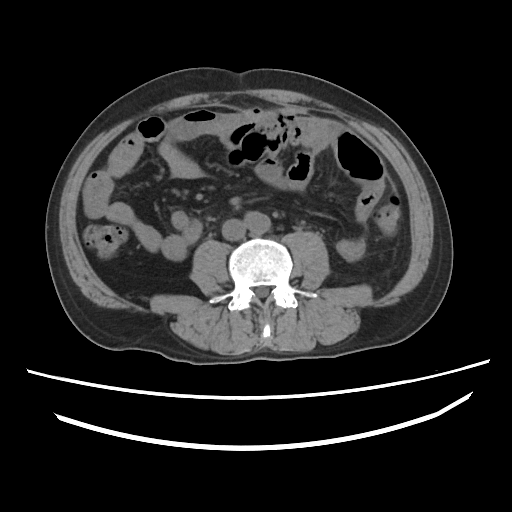
Computed tomography, abdomen · Axial slice 57/95 · soft-tissue window (W 400 / L 40) · 48-year-old male patient
Organ boxes in pixel coordinates; each row gives the top-left (x1, y1) and bottom-right (x2, y2) corners.
| organ | x1 | y1 | x2 | y2 |
|---|---|---|---|---|
| aorta | 244 | 211 | 270 | 234 |
| inferior vena cava | 221 | 219 | 246 | 240 |